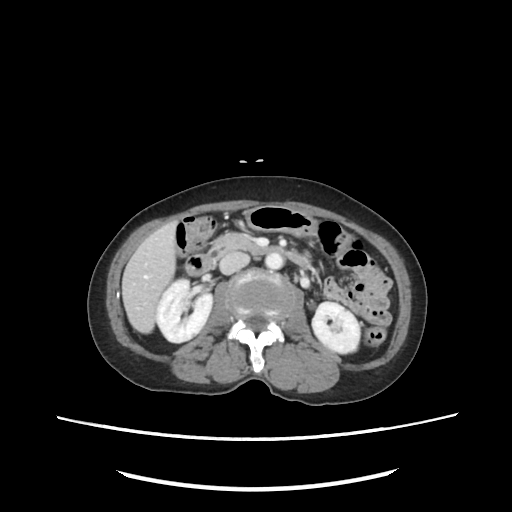 Abdominal CT; axial view
Bounding boxes as [x1, y1, x2, y2] in pixel coordinates. 8 labeled organs on this slice — right kidney at [157, 278, 211, 343]; left kidney at [312, 302, 359, 352]; liver at [122, 221, 175, 333]; stomach at [245, 206, 320, 236]; aorta at [266, 254, 282, 268]; inferior vena cava at [218, 253, 250, 274]; pancreas at [205, 232, 256, 260]; duodenum at [184, 246, 312, 277].